Abdominal CT. axial view. W/L 400/40 HU. 512x512 px
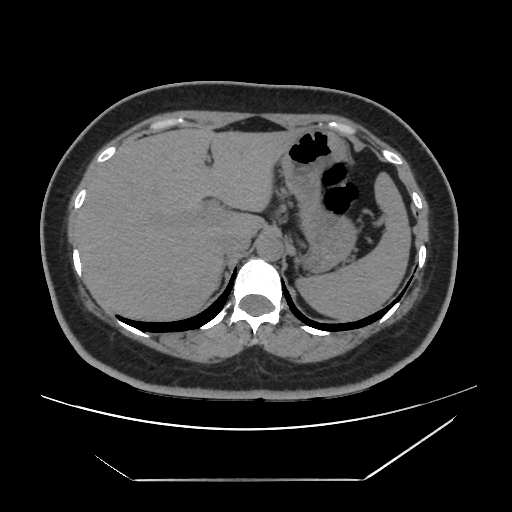
Bounding boxes in pixels, one row per box: x1, y1 is the top-left corner and x2, y2 the bottom-right.
| organ | x1 | y1 | x2 | y2 |
|---|---|---|---|---|
| inferior vena cava | 219 | 232 | 251 | 254 |
| spleen | 295 | 172 | 410 | 320 |
| aorta | 256 | 235 | 283 | 261 |
| stomach | 281 | 127 | 357 | 272 |
| liver | 76 | 128 | 298 | 320 |